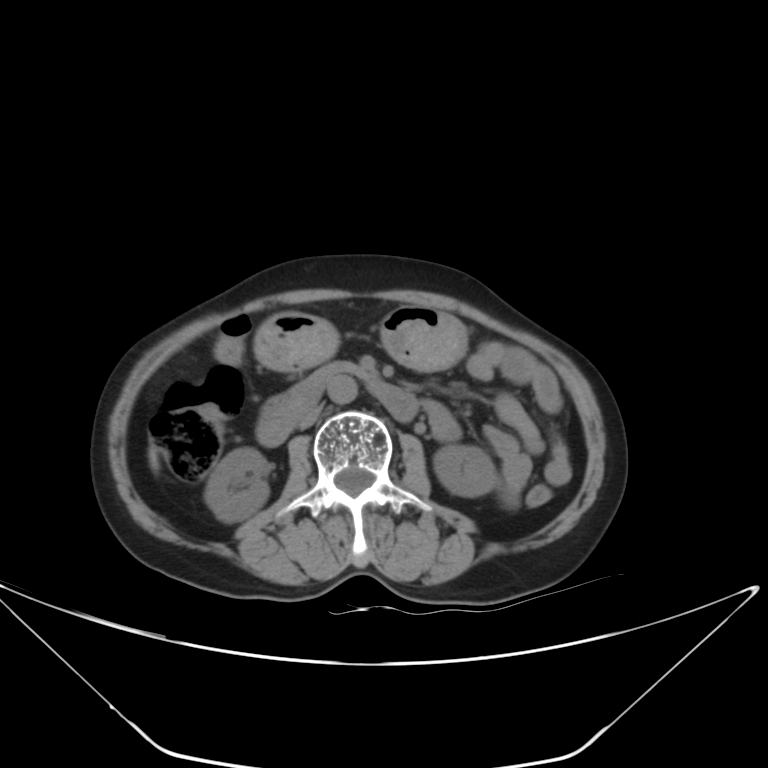 CT, abdomen/pelvis; axial plane, index 52; abdomen soft-tissue window; 768x768 px
Box edges are left/top/right/bottom in pixels.
Organ bounding boxes:
- right kidney: left=204, top=447, right=269, bottom=522
- left kidney: left=433, top=444, right=499, bottom=496
- liver: left=149, top=447, right=158, bottom=470
- stomach: left=253, top=305, right=465, bottom=369
- aorta: left=328, top=375, right=357, bottom=403
- inferior vena cava: left=296, top=404, right=323, bottom=429
- duodenum: left=256, top=361, right=417, bottom=446